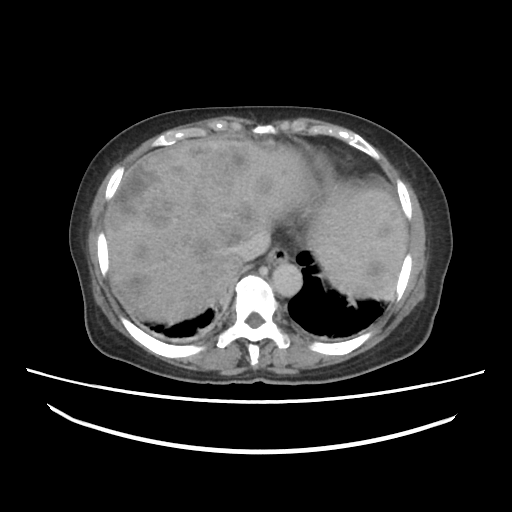 Abdominal CT · Axial slice 85/100 · W/L 400/40 HU · 71-year-old female patient · acquired on Aquilion ONE
<organs><organ name="liver" x1="105" y1="140" x2="406" y2="323"/><organ name="aorta" x1="272" y1="263" x2="302" y2="297"/><organ name="spleen" x1="322" y1="270" x2="385" y2="300"/><organ name="esophagus" x1="266" y1="246" x2="288" y2="266"/><organ name="inferior vena cava" x1="234" y1="229" x2="271" y2="260"/></organs>